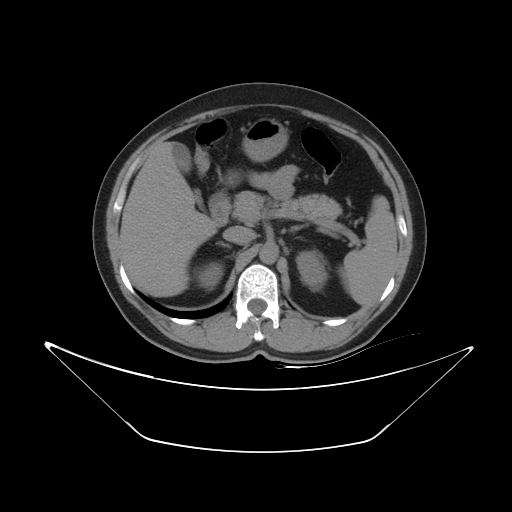

Computed tomography, abdomen — Axial slice 66/83 — W/L 400/40 HU — 41-year-old male patient
{"organs":{"spleen":[339,195,397,305],"right kidney":[194,261,222,289],"left kidney":[297,251,327,288],"gall bladder":[171,142,202,207],"liver":[119,141,216,296],"stomach":[228,118,288,182],"aorta":[259,242,278,263],"inferior vena cava":[223,226,254,244],"pancreas":[232,190,341,223],"right adrenal gland":[215,241,230,247],"left adrenal gland":[289,224,307,231],"duodenum":[208,192,230,226]}}